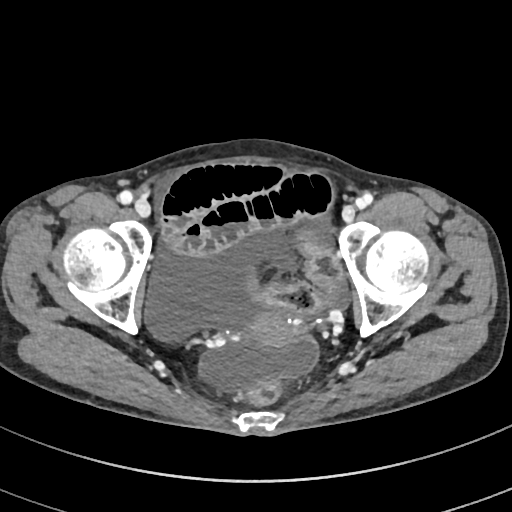

CT, abdomen/pelvis. axial view. 512x512 px. scan has 14 labeled organs (that count is for the whole scan; organs this slice misses have no box)
Each box given as x1,y1,x2,y2.
Organ bounding boxes:
- prostate/uterus: x1=245, y1=308, x2=295, y2=345